Abdominal CT. axial plane, index 121. W/L 400/40 HU. 512x512 px
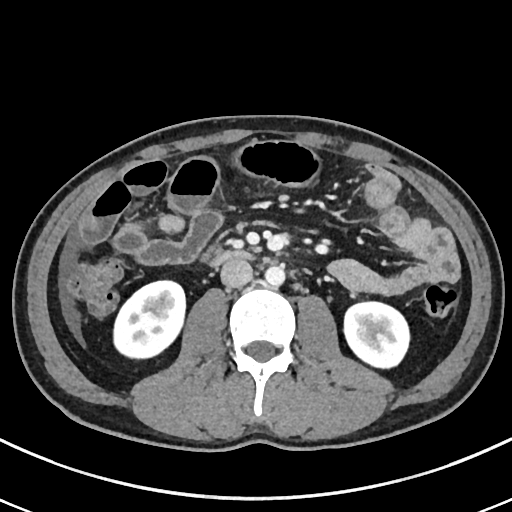
Coordinates as <box>x1,y1,x2,y2</box> in pixels.
Organ bounding boxes:
- inferior vena cava: <box>220,259,252,287</box>
- left kidney: <box>343,302,409,367</box>
- aorta: <box>265,266,285,286</box>
- duodenum: <box>211,250,251,265</box>
- right kidney: <box>113,280,185,358</box>